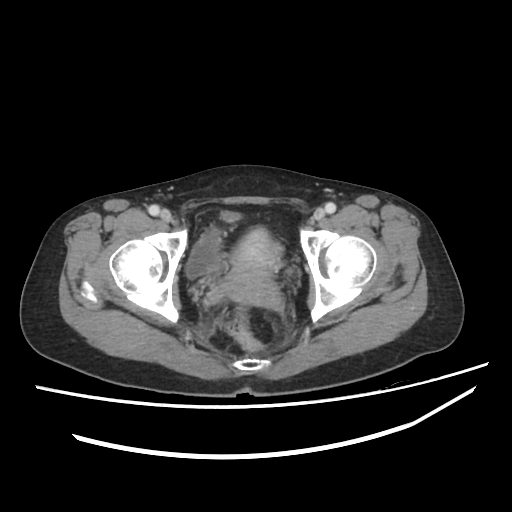
CT abdomen — axial view — abdomen soft-tissue window
Coordinates as <box>x1,y1,x2,y2</box> in pixels.
prostate/uterus: <box>225,227,282,306</box>
bladder: <box>185,233,219,278</box>